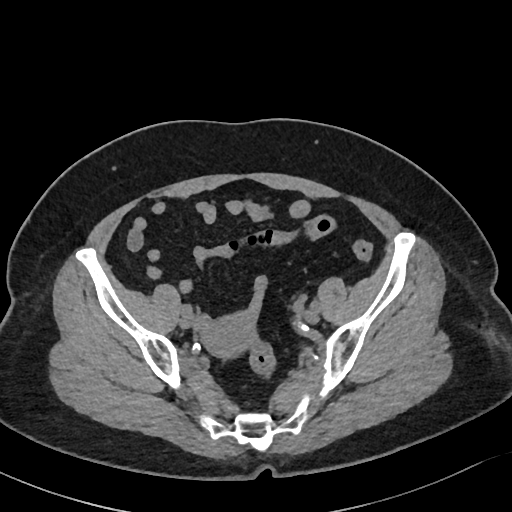 Abdominal CT · Axial slice 50/192 · W/L 400/40 HU · 512x512 px
Bounding boxes in pixels, one row per box: x1, y1 is the top-left corner and x2, y2 the bottom-right.
| organ | x1 | y1 | x2 | y2 |
|---|---|---|---|---|
| prostate/uterus | 196 | 313 | 256 | 360 |